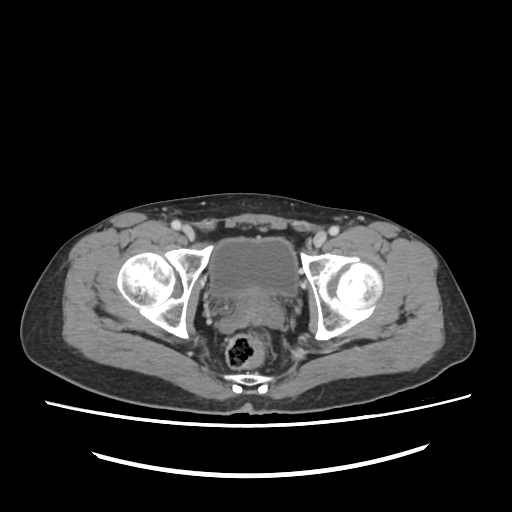
CT abdomen; Axial slice 18/126
<organs><organ name="bladder" x1="211" y1="237" x2="297" y2="294"/><organ name="prostate/uterus" x1="236" y1="292" x2="273" y2="311"/></organs>